CT, abdomen/pelvis. Axial slice 15/79. abdomen soft-tissue window. 768x768 px. 15 organs annotated in this scan (a whole-scan count: organs this slice does not pass through have no box)
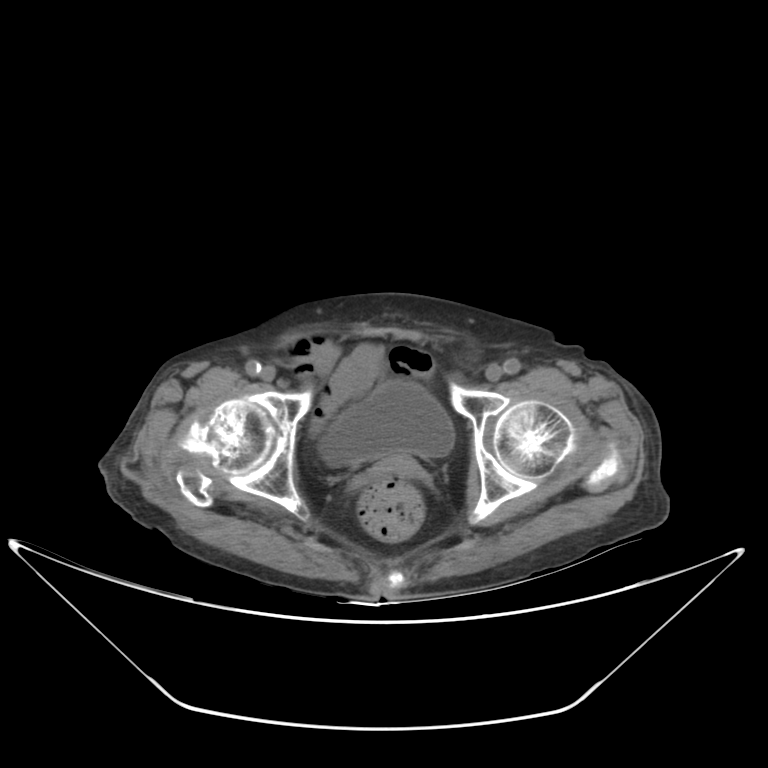
One row per box, in pixels: columns x1 and y1 give the top-left corner, x2 and y2 the bottom-right.
| organ | x1 | y1 | x2 | y2 |
|---|---|---|---|---|
| bladder | 320 | 380 | 455 | 464 |
| prostate/uterus | 380 | 454 | 416 | 476 |